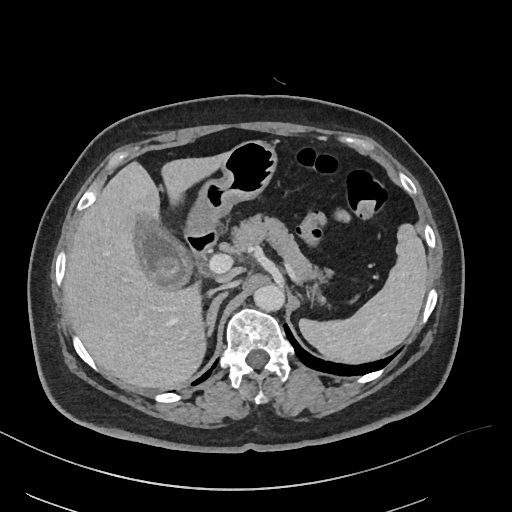 Abdominal CT; axial view; soft-tissue window; 512x512 px
One row per box, in pixels: columns x1 and y1 give the top-left corner, x2 and y2 the bottom-right.
| organ | x1 | y1 | x2 | y2 |
|---|---|---|---|---|
| stomach | 186 | 141 | 275 | 235 |
| duodenum | 185 | 232 | 218 | 271 |
| left adrenal gland | 298 | 293 | 303 | 300 |
| inferior vena cava | 210 | 281 | 236 | 292 |
| gall bladder | 134 | 212 | 192 | 286 |
| pancreas | 232 | 213 | 332 | 281 |
| liver | 64 | 154 | 226 | 389 |
| aorta | 253 | 282 | 284 | 310 |
| right adrenal gland | 204 | 292 | 226 | 337 |
| spleen | 299 | 223 | 428 | 364 |